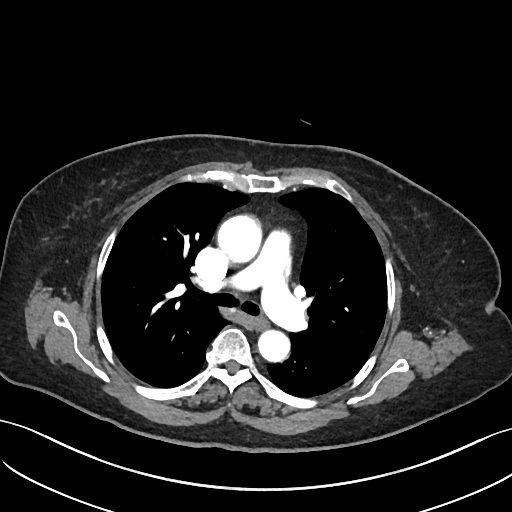

CT of the abdomen extending into the chest, slice through the chest; Axial slice 228/276; 512x512 px
At this level of the chest this dataset labels only the esophagus and the aorta, and each is boxed only where it is labeled; the heart and lungs are never labeled.
Each box given as x1,y1,x2,y2.
esophagus: x1=253, y1=317, x2=268, y2=329
aorta: x1=217, y1=215, x2=261, y2=262
aorta: x1=258, y1=330, x2=289, y2=361